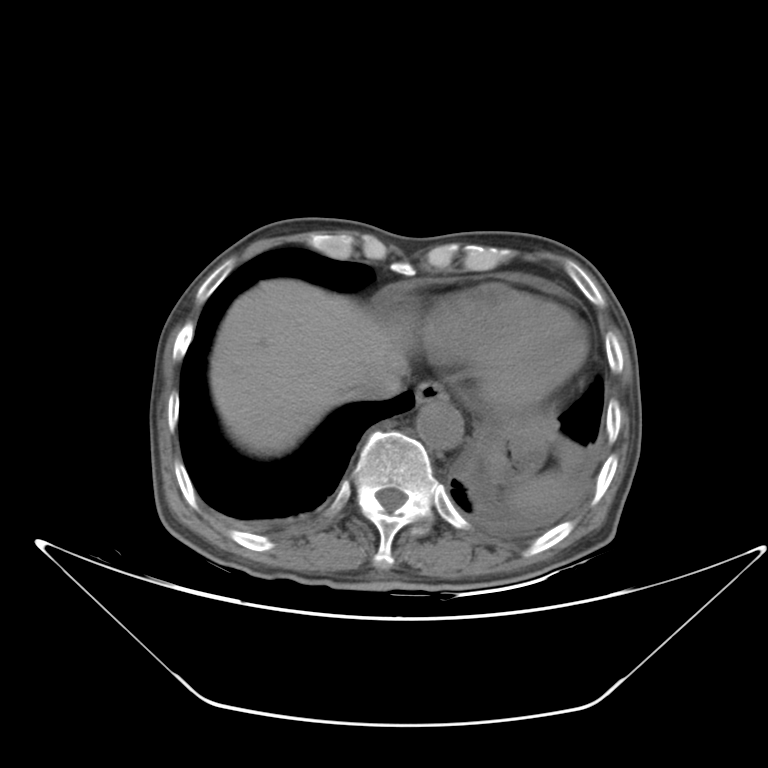 Computed tomography, abdomen; axial view; abdomen soft-tissue window; 768x768 px
Boxes: x1 y1 x2 y2 (pixel coords, space-separated).
Organ bounding boxes:
- esophagus: 415 380 445 407
- stomach: 484 415 558 480
- inferior vena cava: 344 364 408 400
- aorta: 415 398 465 450
- liver: 210 281 415 451
- spleen: 504 473 571 517